CT abdomen — axial plane, index 61 — 512x512 px — 71-year-old female patient
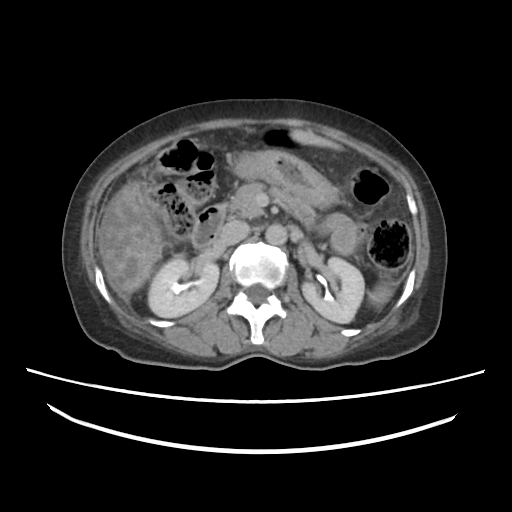 {"organs":{"duodenum":[191,208,223,248],"inferior vena cava":[220,219,250,245],"right kidney":[147,257,219,316],"left kidney":[303,257,365,323],"pancreas":[228,183,313,227],"spleen":[368,284,392,308],"stomach":[232,150,338,208],"liver":[95,129,344,297],"aorta":[264,223,286,245]}}